CT, abdomen/pelvis — axial view — abdomen soft-tissue window — 512x512 px
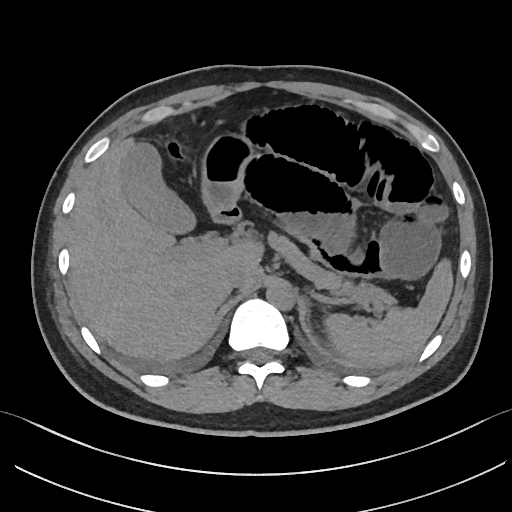 {"organs":{"spleen":[324,259,453,366],"gall bladder":[122,143,195,233],"liver":[68,138,263,361],"stomach":[201,133,256,211],"aorta":[266,285,294,310],"inferior vena cava":[223,265,246,289],"pancreas":[268,232,386,303],"duodenum":[210,205,241,223]}}